Computed tomography, abdomen — axial plane, index 70 — 15 organs annotated in this scan (that count is for the whole scan; organs this slice misses have no box)
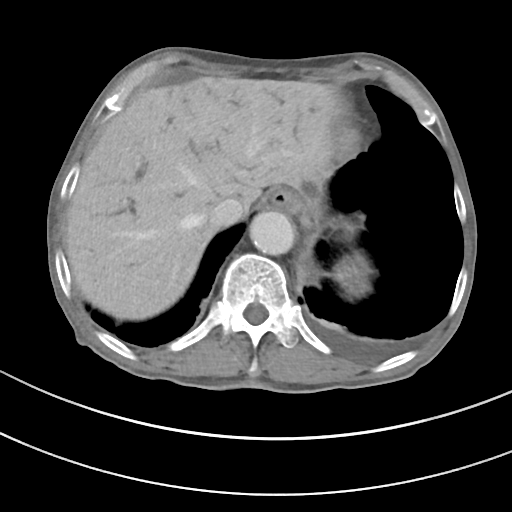 Boxes: x1:y1:x2:y2 in pixels.
Organ bounding boxes:
- spleen: 333:255:366:293
- esophagus: 268:188:301:213
- liver: 67:77:340:319
- aorta: 249:210:294:255
- inferior vena cava: 209:197:245:227